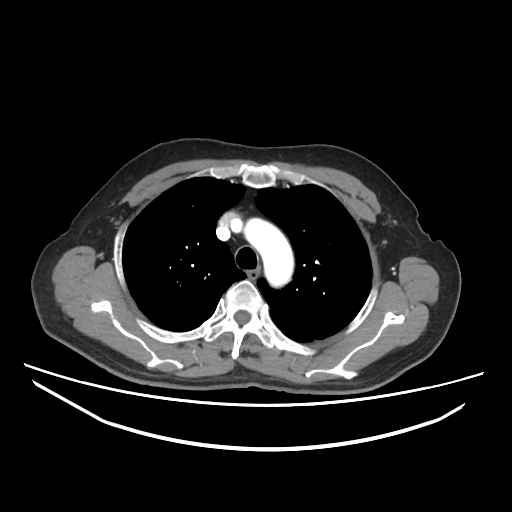

Abdominal CT reaching into the chest; this slice is in the chest · axial view · scan has 15 labeled organs (counted over the whole 3D scan, not this slice; an organ is boxed only where this slice passes through it)
On a slice this high in the chest, this dataset labels only the esophagus and the aorta, and each is boxed only where it is labeled; the heart, lungs and other chest structures are not labeled.
Each box given as x1,y1,x2,y2.
Organ bounding boxes:
- esophagus: x1=247, y1=268, x2=259, y2=277
- aorta: x1=244, y1=218, x2=293, y2=287